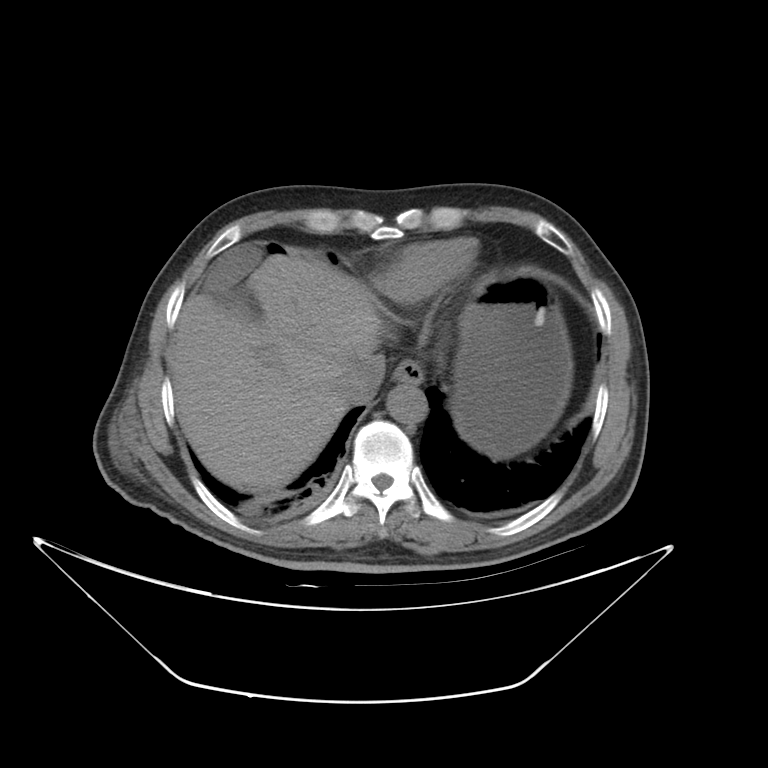

Abdominal CT — Axial slice 85/99 — 768x768 px — 66-year-old male patient — 15 organs annotated in this scan (counted over the whole 3D scan, not this slice; an organ is boxed only where this slice passes through it)
Organ boxes in pixel coordinates; each row gives the top-left (x1, y1) and bottom-right (x2, y2) corners.
| organ | x1 | y1 | x2 | y2 |
|---|---|---|---|---|
| spleen | 492 | 458 | 498 | 461 |
| stomach | 453 | 276 | 572 | 457 |
| liver | 171 | 253 | 379 | 493 |
| gall bladder | 205 | 248 | 259 | 321 |
| inferior vena cava | 344 | 355 | 385 | 406 |
| aorta | 386 | 383 | 426 | 422 |
| esophagus | 393 | 359 | 422 | 383 |